CT abdomen · axial view · W/L 400/40 HU · 512x512 px
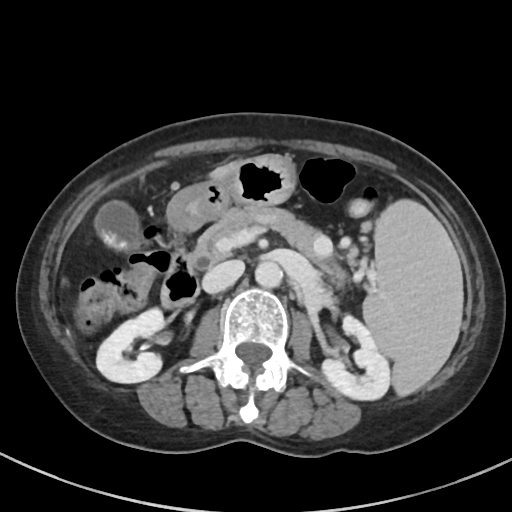 {"organs":{"spleen":[362,200,462,395],"right kidney":[96,308,164,383],"left kidney":[322,315,390,399],"gall bladder":[95,200,139,248],"liver":[209,160,241,180],"stomach":[166,154,296,231],"aorta":[255,261,282,287],"inferior vena cava":[202,260,244,293],"pancreas":[192,206,344,286],"duodenum":[161,251,364,308]}}